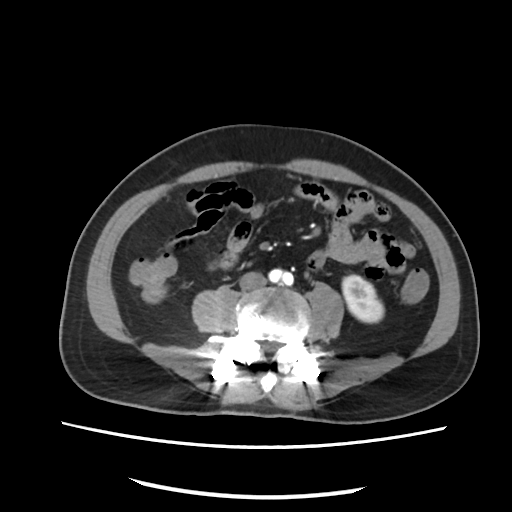 Abdominal CT · axial plane, index 55 · soft-tissue window (W 400 / L 40) · scan has 15 labeled organs (that count is for the whole scan; organs this slice misses have no box)
Each box given as x1,y1,x2,y2.
Organ bounding boxes:
- left kidney: x1=341, y1=275, x2=384, y2=322
- inferior vena cava: x1=240, y1=272, x2=266, y2=290